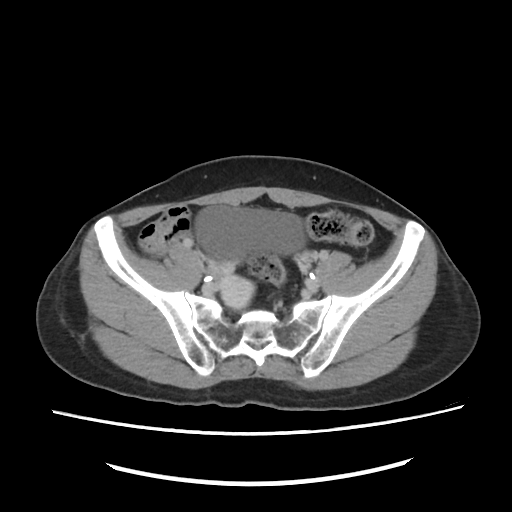

CT abdomen — axial view — 512x512 px — 50-year-old female patient
Box edges are left/top/right/bottom in pixels.
Organ bounding boxes:
- bladder: left=196, top=205, right=308, bottom=258
- prostate/uterus: left=220, top=276, right=254, bottom=308